Abdominal CT — axial view — acquired on Brilliance16
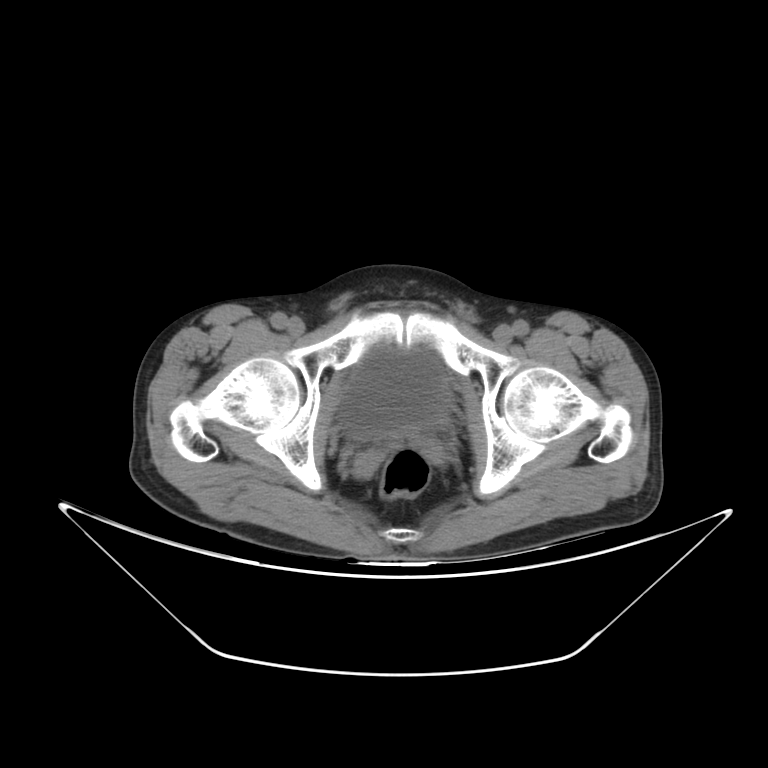 Coordinates as <box>x1,y1,x2,y2</box> in pixels.
bladder: <box>339,346,449,439</box>